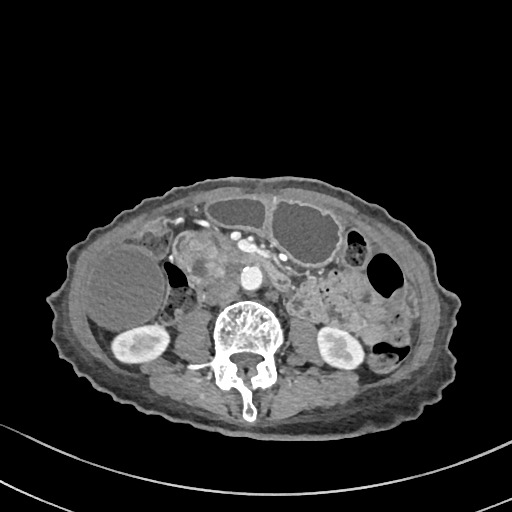

CT abdomen · Axial slice 147/236 · W/L 400/40 HU · 512x512 px
<organs><organ name="right kidney" x1="112" y1="325" x2="169" y2="363"/><organ name="left kidney" x1="317" y1="326" x2="363" y2="369"/><organ name="gall bladder" x1="85" y1="249" x2="164" y2="330"/><organ name="stomach" x1="207" y1="197" x2="342" y2="265"/><organ name="aorta" x1="239" y1="266" x2="262" y2="290"/><organ name="inferior vena cava" x1="206" y1="278" x2="237" y2="304"/><organ name="pancreas" x1="181" y1="230" x2="248" y2="269"/><organ name="duodenum" x1="171" y1="231" x2="289" y2="290"/></organs>